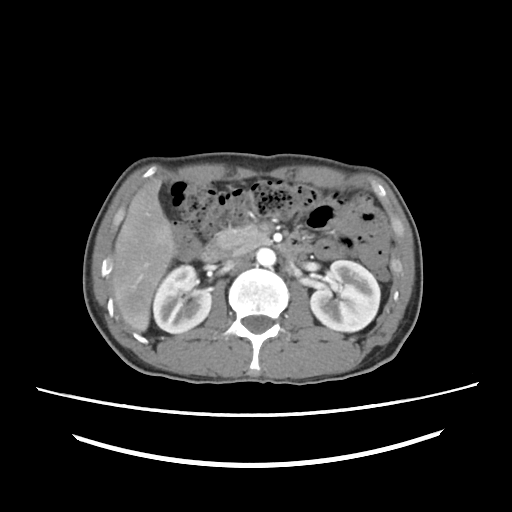 Computed tomography, abdomen; axial plane, index 24; 51-year-old male patient; acquired on Aquilion ONE
Each box given as x1,y1,x2,y2.
liver: x1=113, y1=175, x2=175, y2=331
pancreas: x1=214, y1=226, x2=274, y2=255
duodenum: x1=199, y1=232, x2=313, y2=262
aorta: x1=257, y1=248, x2=275, y2=266
right kidney: x1=153, y1=265, x2=211, y2=333
left kidney: x1=310, y1=259, x2=380, y2=332
inferior vena cava: x1=231, y1=256, x2=248, y2=270